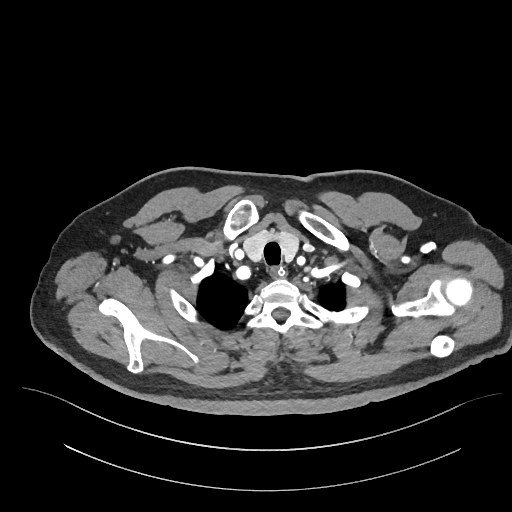 CT of the abdomen extending into the chest, slice through the chest — axial plane, index 316 — 512x512 px — scan has 15 labeled organs (a whole-scan count: organs this slice does not pass through have no box)
At this level of the chest no structure but the esophagus and the aorta has a label in this dataset, and those two are boxed only where they are labeled.
Boxes: x1:y1:x2:y2 in pixels.
Organ bounding boxes:
- esophagus: 272:266:284:275